Abdominal CT; axial view; soft-tissue window; 32-year-old female patient
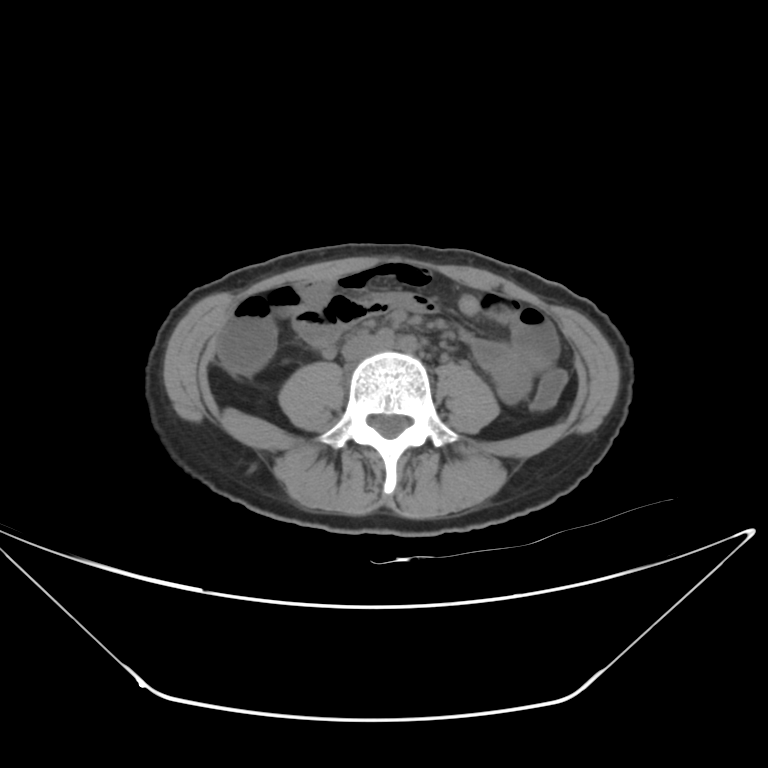 {"organs":{"inferior vena cava":[342,336,382,360]}}